CT abdomen. axial view. 15 organs annotated in this scan (that count is for the whole scan; organs this slice misses have no box)
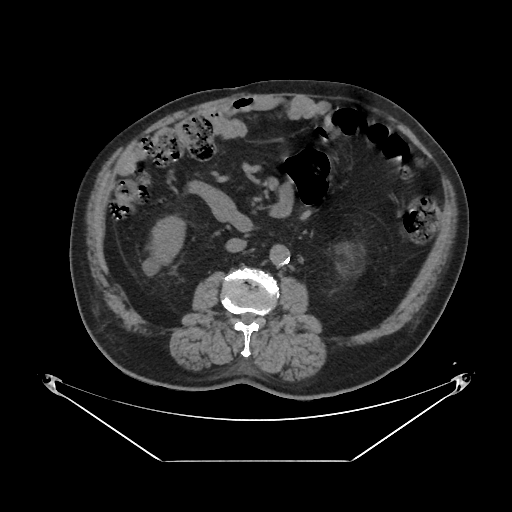

Boxes: x1:y1:x2:y2 in pixels.
Organ bounding boxes:
- right kidney: 154:218:183:260
- aorta: 269:243:289:264
- duodenum: 188:183:250:229
- inferior vena cava: 227:238:247:252